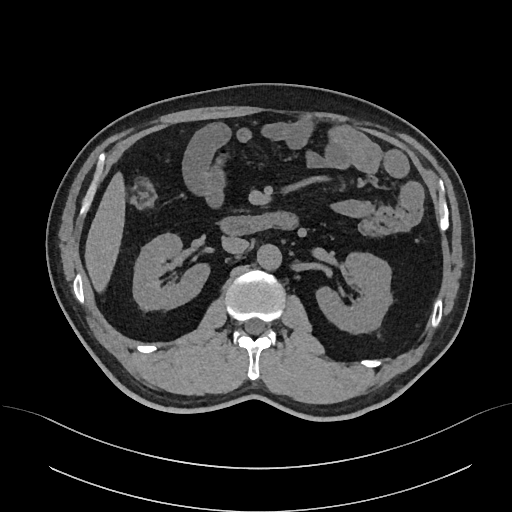 Computed tomography, abdomen; axial plane, index 166; 512x512 px
One row per box, in pixels: columns x1 and y1 give the top-left corner, x2 and y2 the bottom-right.
| organ | x1 | y1 | x2 | y2 |
|---|---|---|---|---|
| right kidney | 133 | 233 | 209 | 309 |
| inferior vena cava | 222 | 236 | 248 | 253 |
| liver | 85 | 172 | 124 | 291 |
| left kidney | 316 | 252 | 392 | 333 |
| aorta | 257 | 244 | 281 | 269 |
| duodenum | 219 | 212 | 297 | 235 |